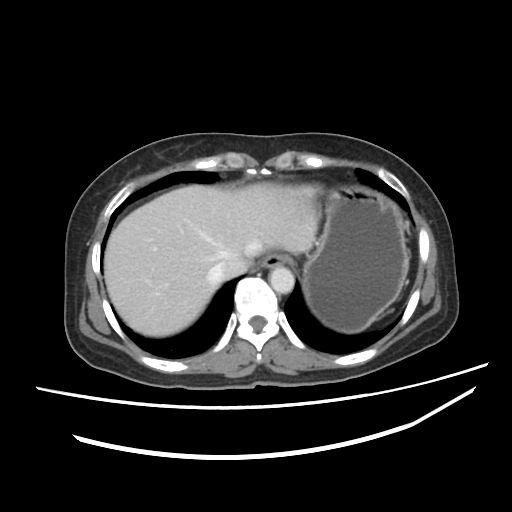
Computed tomography, abdomen — axial view — Aquilion ONE scanner
Bounding boxes as [x1, y1, x2, y2] in pixel coordinates. The annotated organs in this slice are: esophagus at [261, 253, 289, 268], liver at [104, 183, 318, 336], stomach at [303, 186, 409, 332], aorta at [269, 266, 294, 293], inferior vena cava at [210, 255, 249, 282].